Lower-chest slice from an abdominal CT, just above the liver and spleen. Axial slice 83/84. 72-year-old male patient
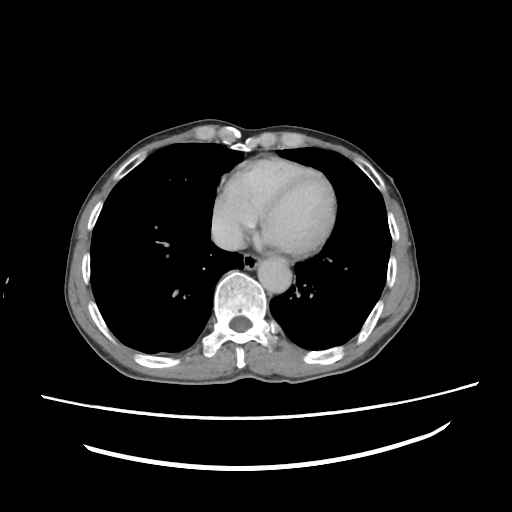 The heart and lungs are never labeled in this dataset, so they have no box on this slice.
Boxes: x1 y1 x2 y2 (pixel coords, space-separated).
Organ bounding boxes:
- esophagus: 243 254 260 270
- aorta: 258 256 292 293
- inferior vena cava: 211 219 246 251